Abdominal CT; this slice is in the lower chest, just above the liver; axial view; soft-tissue window, W/L 400/40; 512x512 px
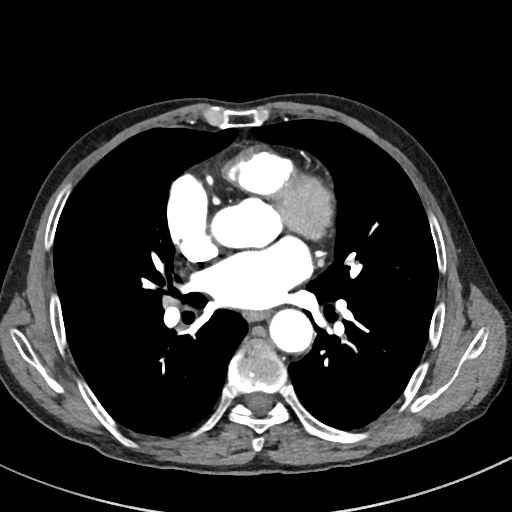

Of the structures in the chest, this dataset labels only the esophagus, the aorta and the inferior vena cava; the heart and lungs have no label. Bounding boxes as [x1, y1, x2, y2] in pixel coordinates. Labeled organs on this slice: aorta at [268, 308, 313, 351], esophagus at [243, 311, 267, 321].